CT abdomen. axial view. abdomen soft-tissue window. 768x768 px. Brilliance16 scanner
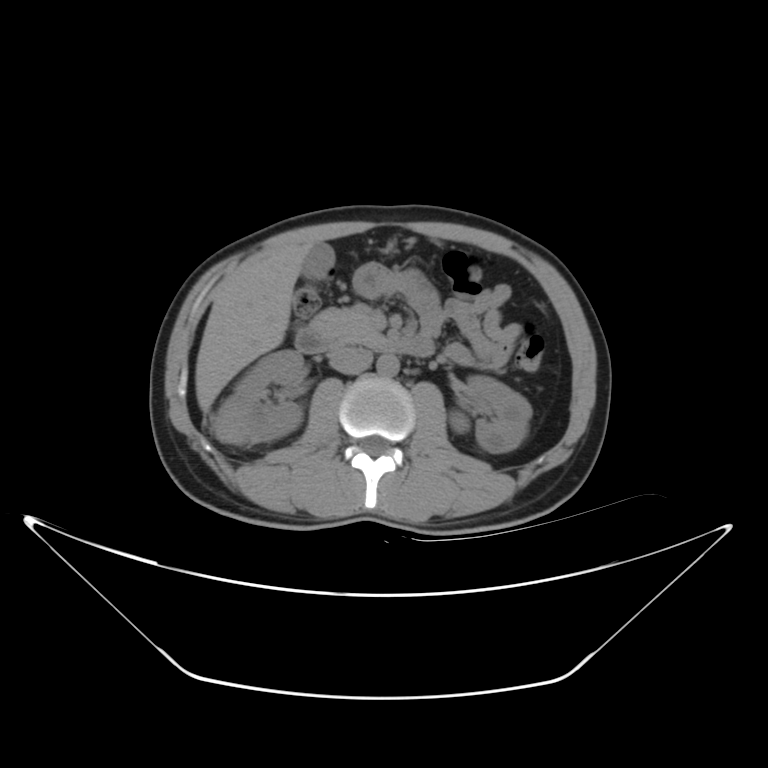
<organs><organ name="aorta" x1="374" y1="354" x2="397" y2="377"/><organ name="inferior vena cava" x1="328" y1="346" x2="372" y2="373"/><organ name="liver" x1="195" y1="243" x2="312" y2="411"/><organ name="pancreas" x1="311" y1="307" x2="381" y2="345"/><organ name="right kidney" x1="210" y1="348" x2="304" y2="442"/><organ name="left kidney" x1="448" y1="374" x2="532" y2="454"/><organ name="gall bladder" x1="303" y1="243" x2="336" y2="280"/><organ name="duodenum" x1="297" y1="331" x2="435" y2="359"/></organs>